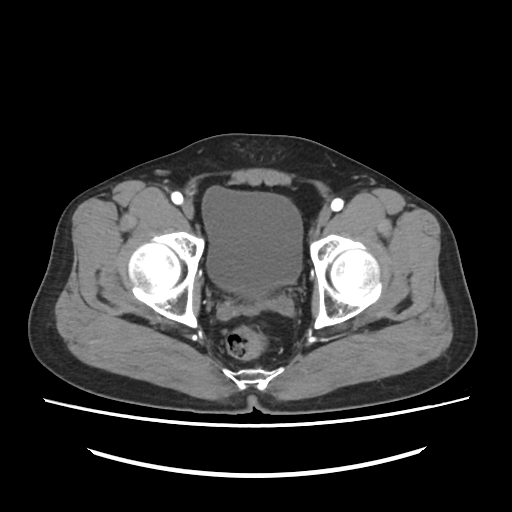
Abdominal CT — axial plane, index 23 — soft-tissue window (W 400 / L 40) — 512x512 px — 46-year-old male patient
{"organs":{"bladder":[202,186,302,295]}}